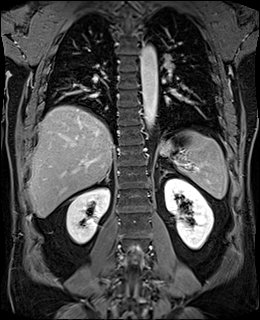
Magnetic resonance imaging, abdomen. coronal acquisition. acquired on Prisma
{"organs":{"aorta":[140,44,157,131],"right adrenal gland":[97,169,110,183],"stomach":[160,141,172,154],"left kidney":[164,178,213,249],"right kidney":[66,188,109,243],"spleen":[171,130,227,198],"liver":[28,105,114,217],"left adrenal gland":[159,171,167,182]}}